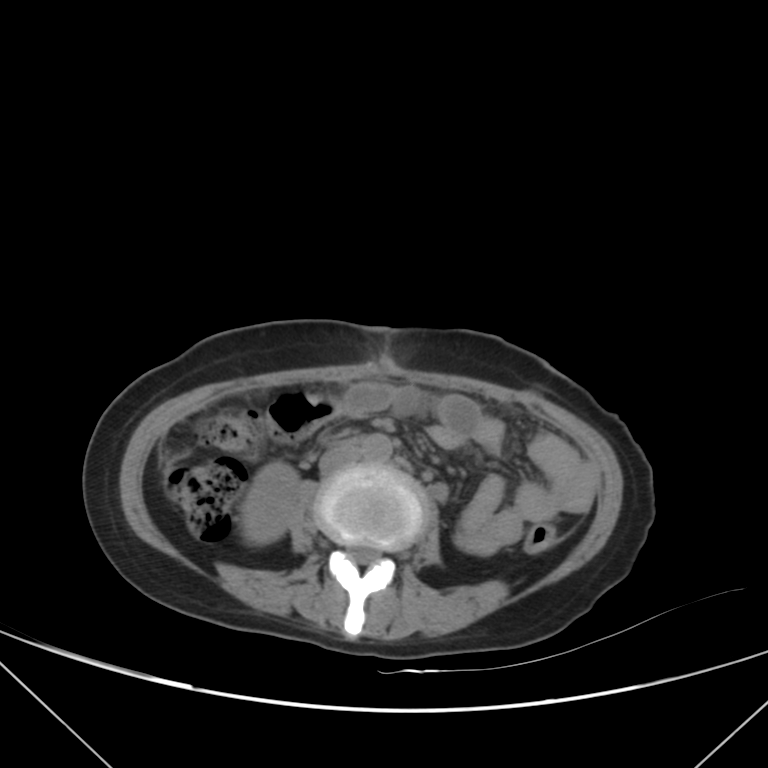
CT, abdomen/pelvis; axial view; 39-year-old female patient
Box edges are left/top/right/bottom in pixels.
right kidney: left=242, top=462, right=298, bottom=542
aorta: left=360, top=433, right=391, bottom=463
inferior vena cava: left=318, top=442, right=361, bottom=474